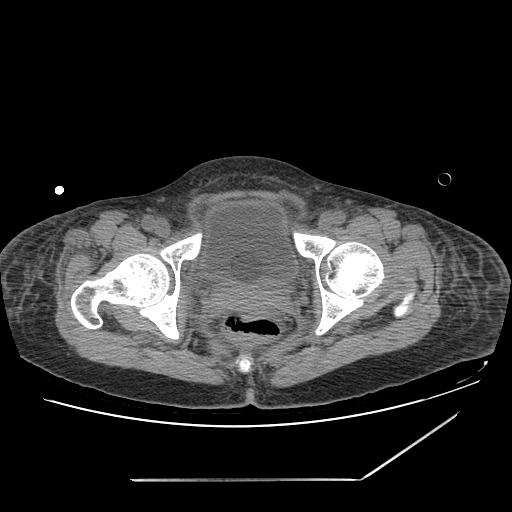

CT abdomen; axial plane, index 17; 512x512 px
One row per box, in pixels: columns x1 and y1 give the top-left corner, x2 and y2 the bottom-right.
| organ | x1 | y1 | x2 | y2 |
|---|---|---|---|---|
| bladder | 199 | 201 | 296 | 287 |